Abdominal CT — axial view
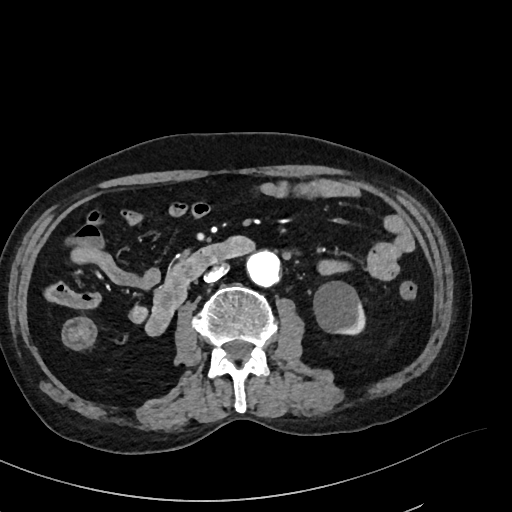

Organ boxes in pixel coordinates; each row gives the top-left (x1, y1) and bottom-right (x2, y2) corners.
| organ | x1 | y1 | x2 | y2 |
|---|---|---|---|---|
| left kidney | 313 | 281 | 365 | 334 |
| aorta | 247 | 250 | 280 | 285 |
| inferior vena cava | 205 | 265 | 227 | 281 |
| duodenum | 145 | 238 | 252 | 335 |